Computed tomography, abdomen · axial view · W/L 400/40 HU · SOMATOM Force scanner
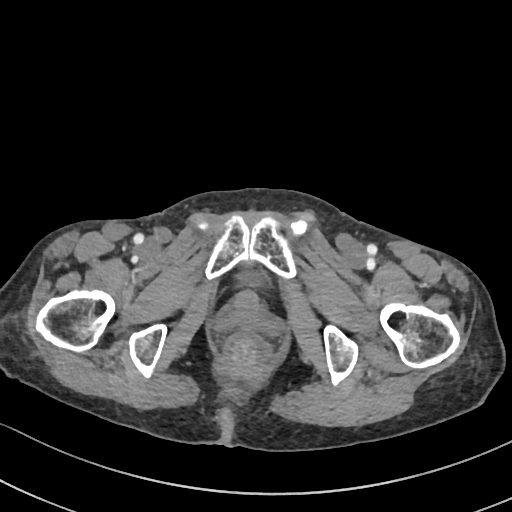
<organs><organ name="bladder" x1="243" y1="273" x2="262" y2="283"/></organs>